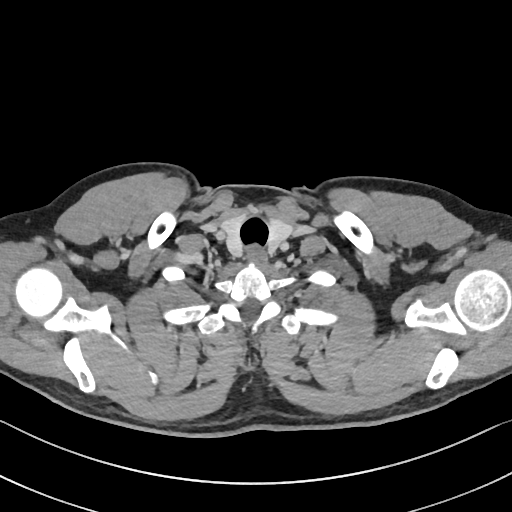 CT of the abdomen extending into the chest, slice through the chest — Axial slice 287/291 — acquired on SOMATOM Force
On a slice this high in the chest, this dataset labels only the esophagus and the aorta, and each is boxed only where it is labeled; the heart, lungs and other chest structures are not labeled.
{"organs":{"esophagus":[246,245,268,265]}}